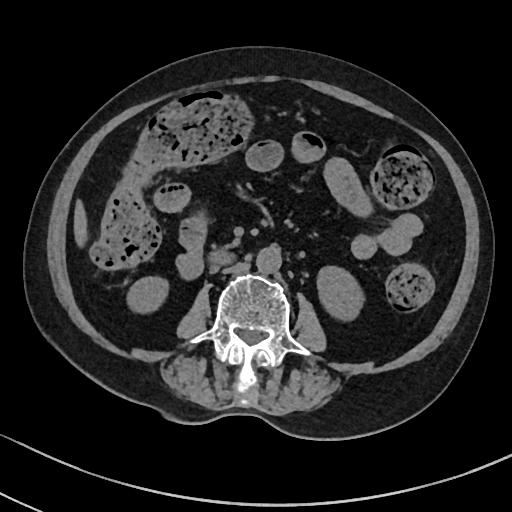

Computed tomography, abdomen; Axial slice 118/202; soft-tissue window (W 400 / L 40); 15 organs annotated in this scan (that count is for the whole scan; organs this slice misses have no box)
{"organs":{"right kidney":[127,275,166,311],"left kidney":[316,265,364,320],"liver":[73,197,87,246],"aorta":[256,247,282,273],"inferior vena cava":[214,260,249,273],"duodenum":[210,251,232,263]}}